Computed tomography, abdomen · Axial slice 58/228 · W/L 400/40 HU · 512x512 px
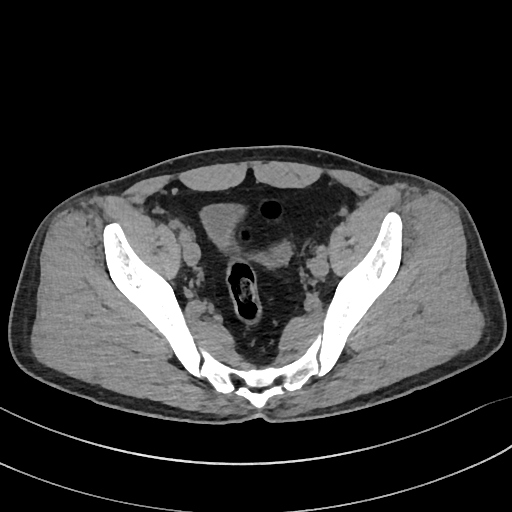

{"organs":{"bladder":[199,203,294,269]}}